CT abdomen; axial plane, index 57
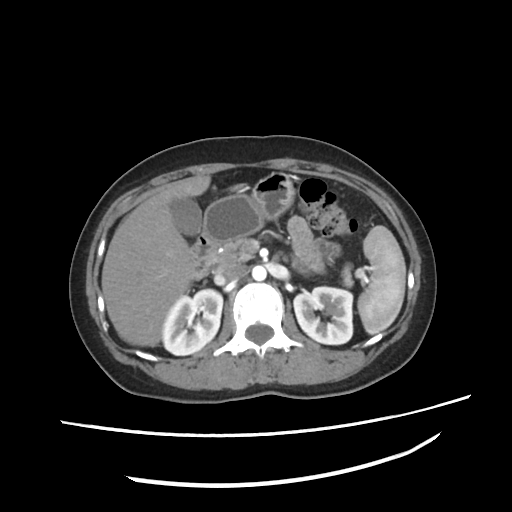
{"organs":{"spleen":[358,225,405,335],"right kidney":[161,288,223,354],"left kidney":[293,286,351,345],"gall bladder":[170,198,202,235],"liver":[101,175,210,346],"stomach":[202,171,294,242],"aorta":[252,265,265,281],"inferior vena cava":[214,263,248,285],"pancreas":[212,236,355,287],"duodenum":[189,231,217,279]}}